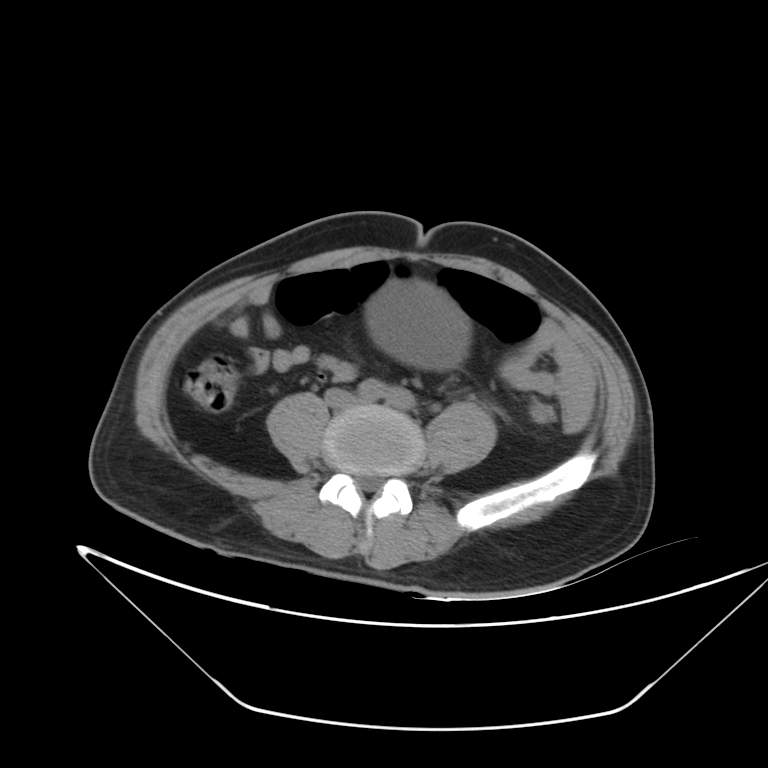
Abdominal CT. Axial slice 48/107
Box edges are left/top/right/bottom in pixels.
bladder: left=368, top=286, right=464, bottom=368